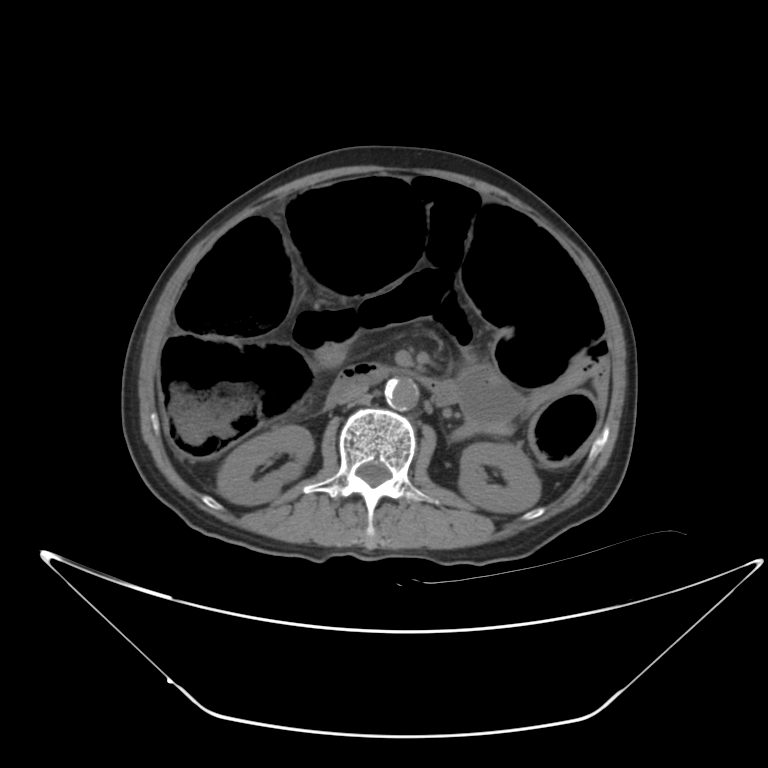
CT abdomen · axial view · abdomen soft-tissue window · 64-year-old male patient
{"organs":{"right kidney":[217,425,313,504],"left kidney":[458,442,540,512],"aorta":[384,378,418,410],"inferior vena cava":[329,384,368,404],"duodenum":[328,362,457,404]}}